Computed tomography, abdomen — axial view — soft-tissue window — 512x512 px — SOMATOM Force scanner — 15 organs annotated in this scan (counted over the whole 3D scan, not this slice; an organ is boxed only where this slice passes through it)
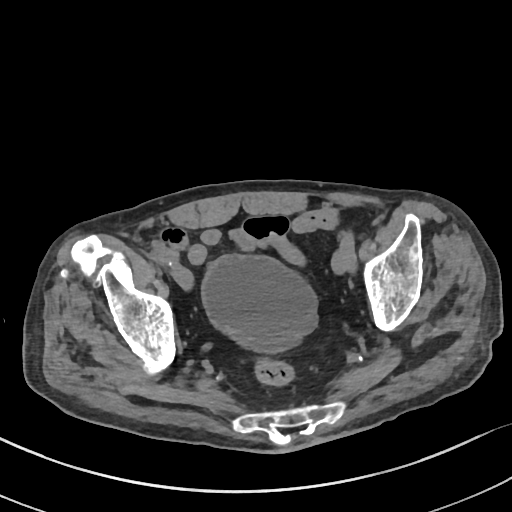 Box edges are left/top/right/bottom in pixels. 1 labeled organ on this slice — bladder at left=202, top=253, right=318, bottom=354.